CT, abdomen/pelvis — Axial slice 188/305 — abdomen soft-tissue window
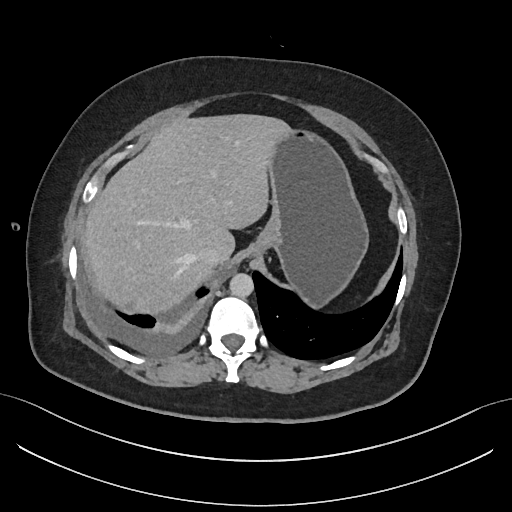
<organs><organ name="inferior vena cava" x1="197" y1="244" x2="221" y2="265"/><organ name="aorta" x1="229" y1="273" x2="253" y2="297"/><organ name="stomach" x1="247" y1="132" x2="367" y2="306"/><organ name="liver" x1="83" y1="115" x2="292" y2="311"/></organs>